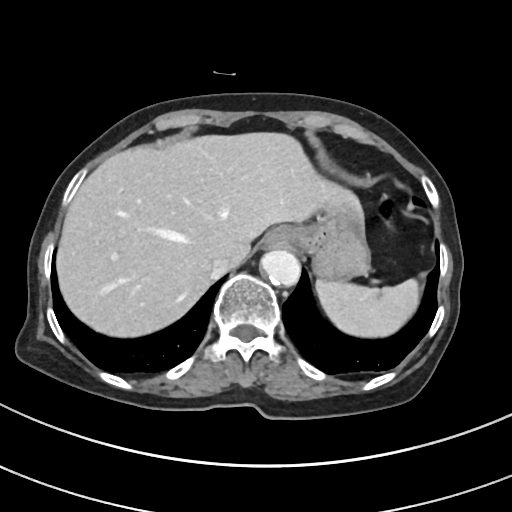 CT, abdomen/pelvis; Axial slice 173/284; soft-tissue window; SOMATOM Force scanner
Organ boxes in pixel coordinates; each row gives the top-left (x1, y1) and bottom-right (x2, y2) corners.
| organ | x1 | y1 | x2 | y2 |
|---|---|---|---|---|
| spleen | 317 | 278 | 419 | 337 |
| esophagus | 263 | 226 | 294 | 249 |
| liver | 57 | 133 | 365 | 338 |
| stomach | 291 | 212 | 369 | 278 |
| aorta | 261 | 249 | 300 | 287 |
| inferior vena cava | 210 | 258 | 230 | 276 |